Chest-level slice from an abdominal CT that extends up into the chest · axial view · soft-tissue window, W/L 400/40 · 62-year-old male patient · acquired on Brilliance16
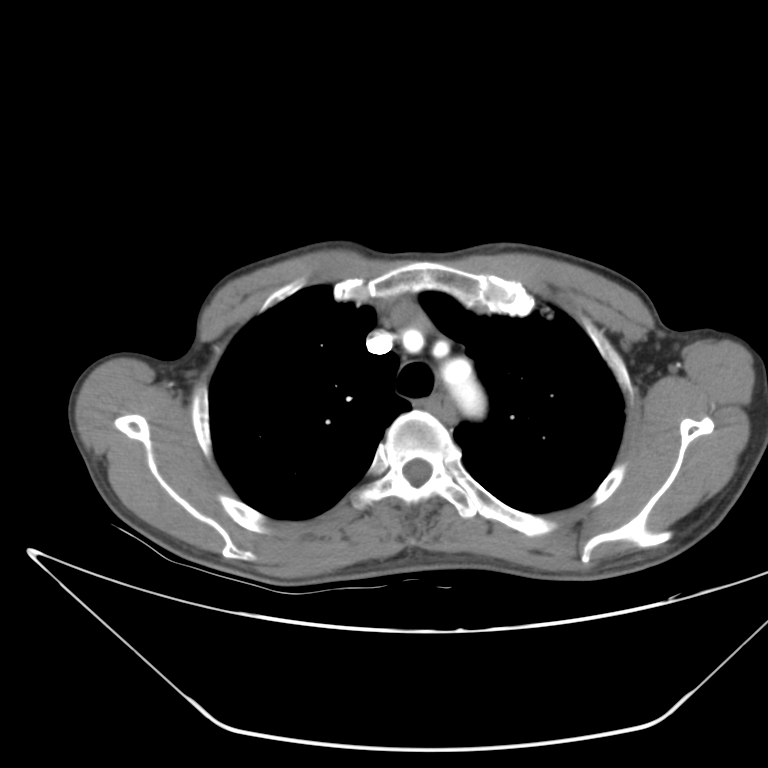

On a slice this high in the chest, this dataset labels only the esophagus and the aorta, and each is boxed only where it is labeled; the heart, lungs and other chest structures are not labeled. Each box given as x1,y1,x2,y2. Labeled organs on this slice: esophagus at x1=427, y1=393, x2=453, y2=421, aorta at x1=442, y1=359, x2=486, y2=417.